CT, abdomen/pelvis · Axial slice 94/100 · W/L 400/40 HU
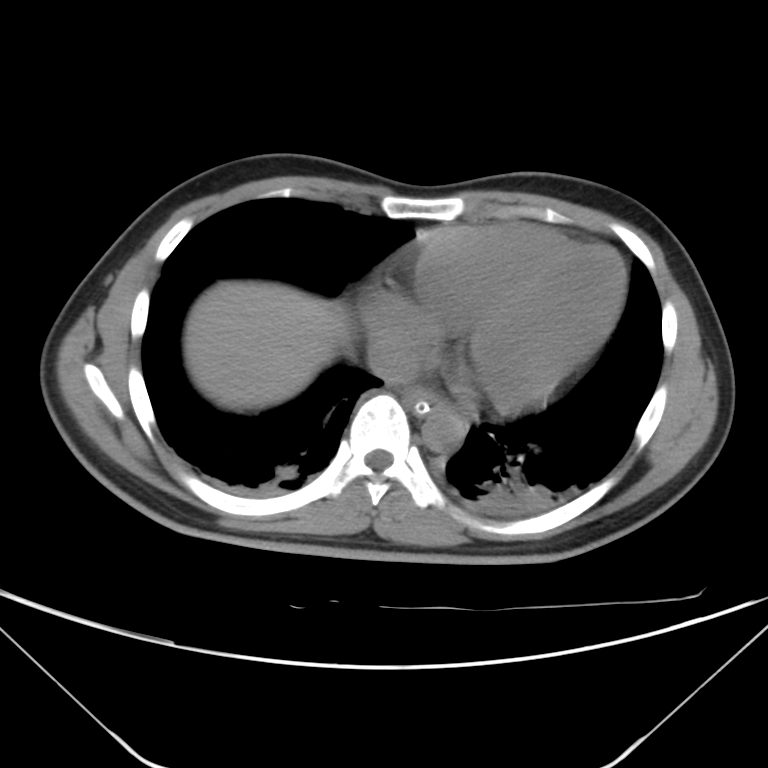 Bounding boxes as [x1, y1, x2, y2] in pixel coordinates.
Organ bounding boxes:
- esophagus: [402, 387, 446, 414]
- liver: [184, 280, 352, 411]
- aorta: [421, 408, 466, 453]
- inferior vena cava: [368, 348, 419, 383]